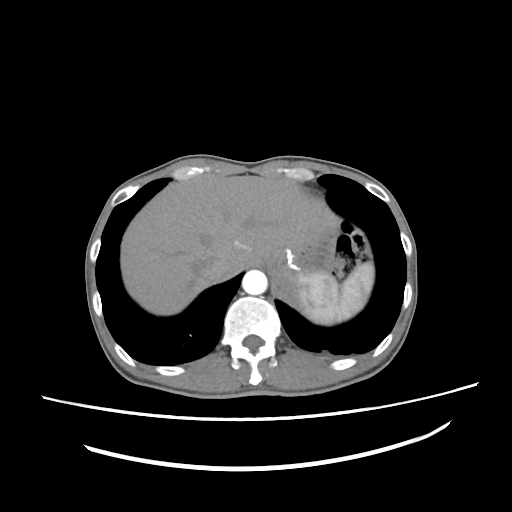

CT abdomen · Axial slice 81/133 · 512x512 px · scan has 14 labeled organs (that count is for the whole scan; organs this slice misses have no box)
Boxes are (x1, y1, x2, y2) in pixels.
spleen: (301, 262, 374, 324)
liver: (121, 174, 338, 315)
aorta: (242, 270, 267, 295)
inferior vena cava: (201, 258, 227, 281)